Abdominal CT — Axial slice 292/353
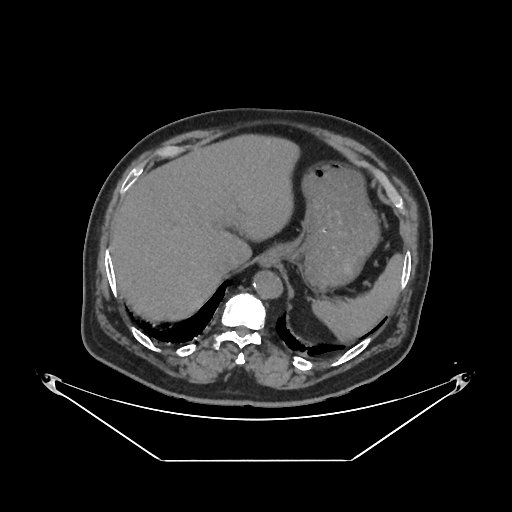
Boxes: x1:y1:x2:y2 in pixels.
spleen: 312:253:403:342
liver: 110:137:297:321
stomach: 261:159:379:291
aorta: 252:270:281:298
inferior vena cava: 217:256:238:274